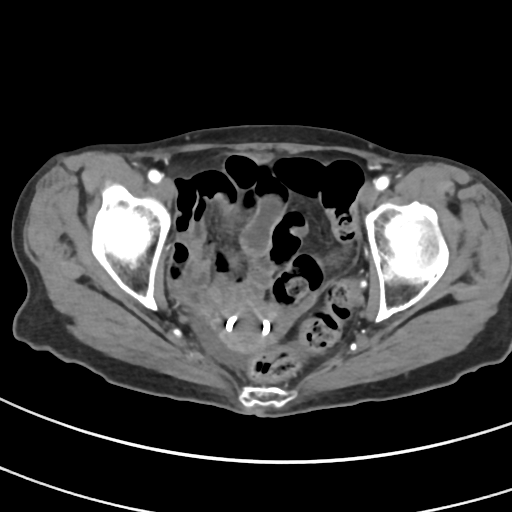 Abdominal CT. axial view. SOMATOM Force scanner. scan has 15 labeled organs (that count is for the whole scan; organs this slice misses have no box)
Box edges are left/top/right/bottom in pixels. The annotated organs in this slice are: prostate/uterus at left=211, top=299, right=287, bottom=353.